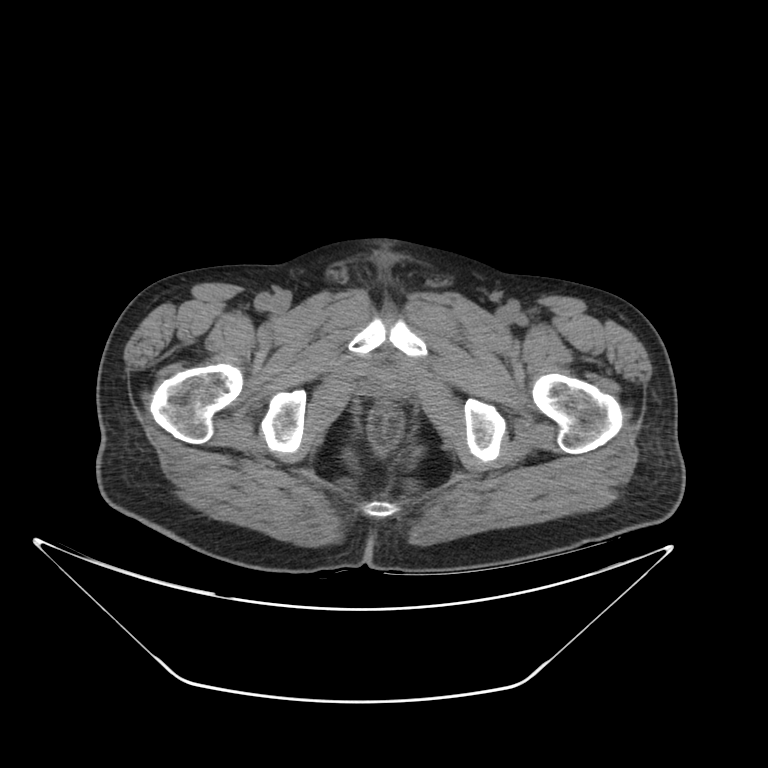 CT abdomen; axial view; 15 organs annotated in this scan (counted over the whole 3D scan, not this slice; an organ is boxed only where this slice passes through it)
Bounding boxes as [x1, y1, x2, y2] in pixel coordinates. Labeled organs on this slice: prostate/uterus at [374, 375, 400, 393].